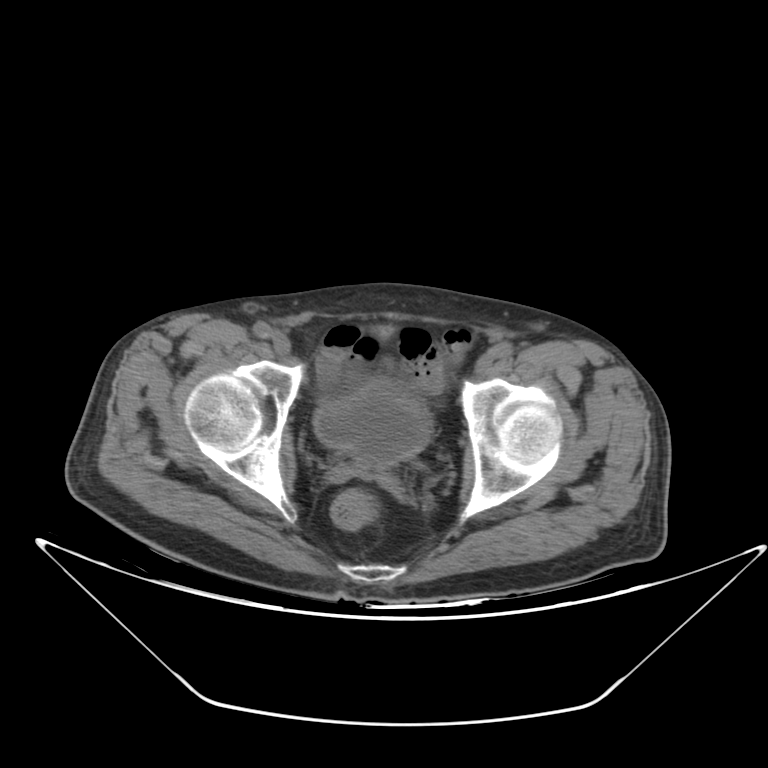 Abdominal CT. axial view. abdomen soft-tissue window. 768x768 px
One row per box, in pixels: columns x1 and y1 give the top-left corner, x2 and y2 the bottom-right.
| organ | x1 | y1 | x2 | y2 |
|---|---|---|---|---|
| bladder | 311 | 377 | 432 | 464 |